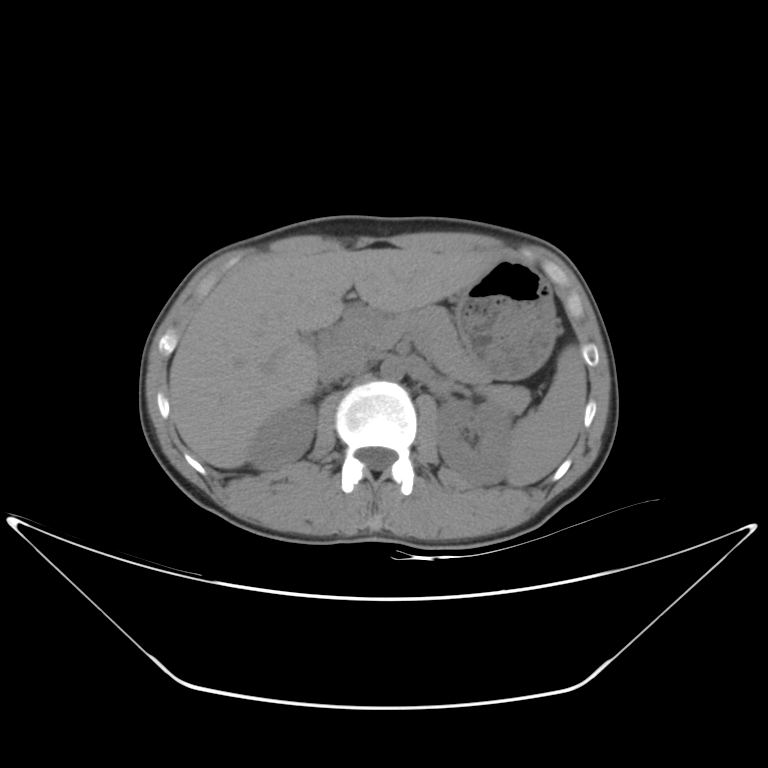
Computed tomography, abdomen · axial view · soft-tissue window (W 400 / L 40)
One row per box, in pixels: columns x1 and y1 give the top-left corner, x2 and y2 the bottom-right.
| organ | x1 | y1 | x2 | y2 |
|---|---|---|---|---|
| spleen | 506 | 346 | 587 | 486 |
| right kidney | 249 | 402 | 315 | 470 |
| left kidney | 435 | 398 | 512 | 484 |
| liver | 169 | 248 | 496 | 467 |
| stomach | 456 | 259 | 556 | 379 |
| aorta | 380 | 359 | 403 | 380 |
| inferior vena cava | 316 | 346 | 369 | 383 |
| pancreas | 405 | 307 | 529 | 411 |
| right adrenal gland | 314 | 388 | 321 | 394 |